Abdominal CT · axial plane, index 17 · 768x768 px · scan has 14 labeled organs (counted over the whole 3D scan, not this slice; an organ is boxed only where this slice passes through it)
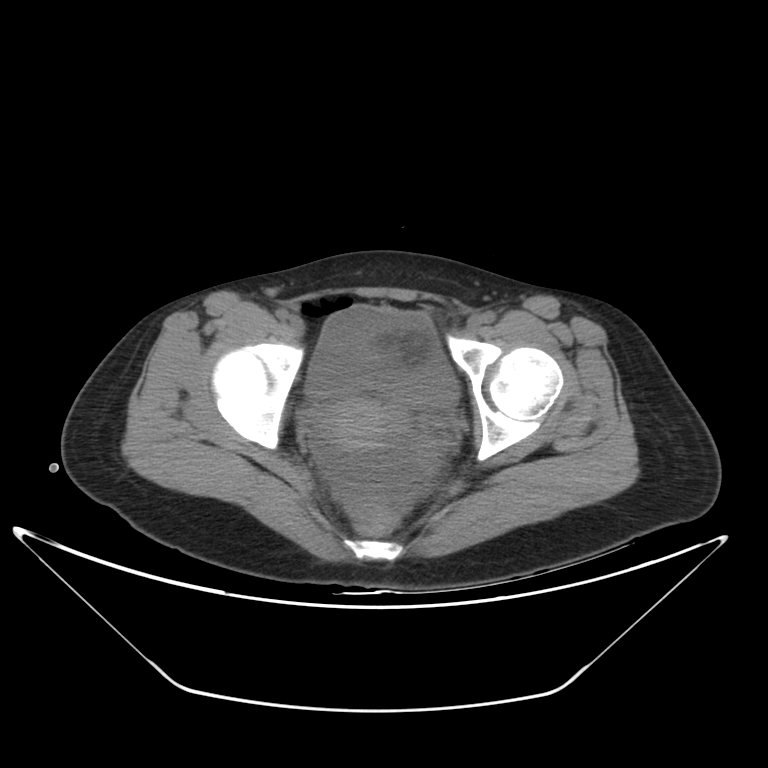
Bounding boxes in pixels, one row per box: x1, y1 is the top-left corner and x2, y2 the bottom-right.
| organ | x1 | y1 | x2 | y2 |
|---|---|---|---|---|
| bladder | 306 | 305 | 457 | 414 |
| prostate/uterus | 317 | 400 | 408 | 449 |